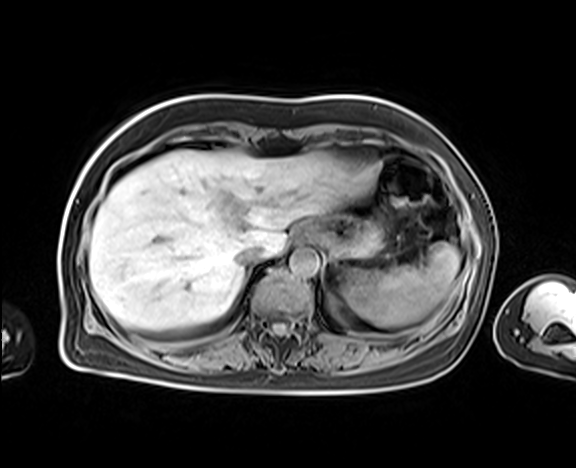 Abdominal MR; axial view; 12 organs annotated in this scan (that count is for the whole scan; organs this slice misses have no box)
One row per box, in pixels: columns x1 and y1 give the top-left corner, x2 and y2 the bottom-right.
| organ | x1 | y1 | x2 | y2 |
|---|---|---|---|---|
| spleen | 346 | 242 | 459 | 327 |
| liver | 89 | 150 | 379 | 330 |
| stomach | 297 | 217 | 383 | 258 |
| aorta | 289 | 248 | 319 | 276 |
| inferior vena cava | 234 | 244 | 262 | 267 |